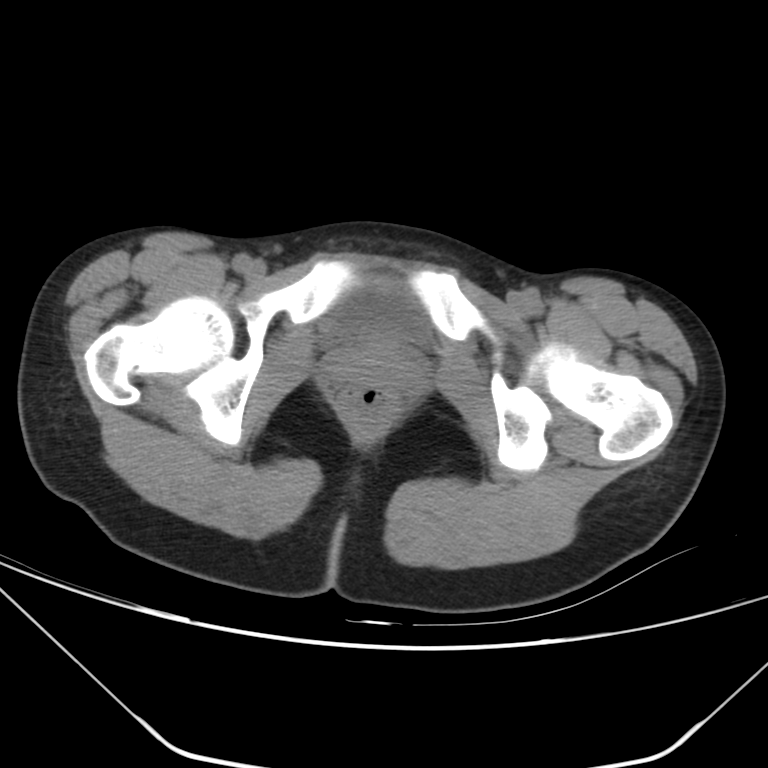 CT, abdomen/pelvis — axial view
One row per box, in pixels: columns x1 and y1 give the top-left corner, x2 and y2 the bottom-right.
| organ | x1 | y1 | x2 | y2 |
|---|---|---|---|---|
| bladder | 326 | 281 | 427 | 341 |